CT abdomen · axial view · soft-tissue window (W 400 / L 40) · 512x512 px
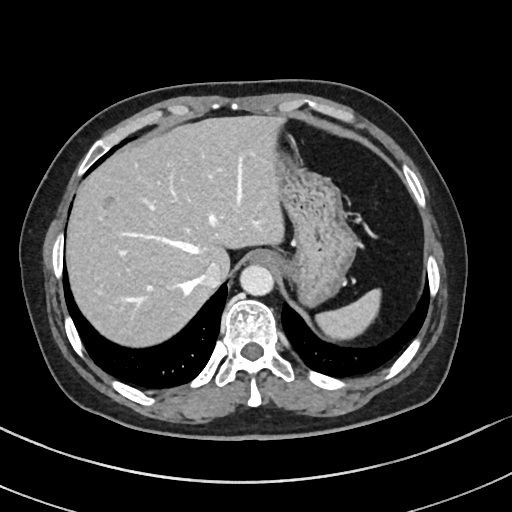

Bounding boxes in pixels, one row per box: x1, y1 is the top-left corner and x2, y2 the bottom-right.
| organ | x1 | y1 | x2 | y2 |
|---|---|---|---|---|
| stomach | 274 | 131 | 356 | 306 |
| liver | 66 | 115 | 284 | 346 |
| spleen | 316 | 289 | 381 | 340 |
| aorta | 240 | 265 | 273 | 295 |
| esophagus | 250 | 250 | 278 | 266 |
| inferior vena cava | 199 | 261 | 227 | 288 |